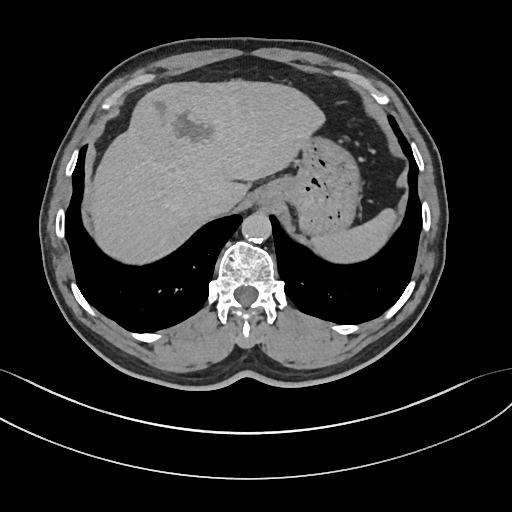 CT, abdomen/pelvis — axial plane, index 185 — W/L 400/40 HU — 15 organs annotated in this scan (a whole-scan count: organs this slice does not pass through have no box)
{"organs":{"spleen":[312,208,396,262],"liver":[87,79,325,264],"stomach":[257,136,360,236],"aorta":[241,212,271,243],"inferior vena cava":[201,191,229,216]}}